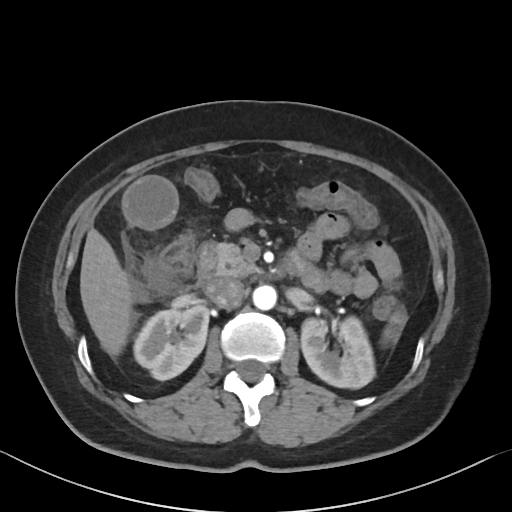

Computed tomography, abdomen — axial plane, index 55 — abdomen soft-tissue window — 512x512 px — scan has 15 labeled organs (counted over the whole 3D scan, not this slice; an organ is boxed only where this slice passes through it)
Boxes: x1:y1:x2:y2 in pixels.
aorta: 252:285:276:310
gall bladder: 122:175:177:230
liver: 80:228:133:357
inferior vena cava: 205:277:244:308
pancreas: 202:242:259:276
duodenum: 195:241:307:286
left kidney: 301:316:375:388
spleen: 381:312:405:345
right kidney: 134:305:208:380